CT abdomen — Axial slice 20/218
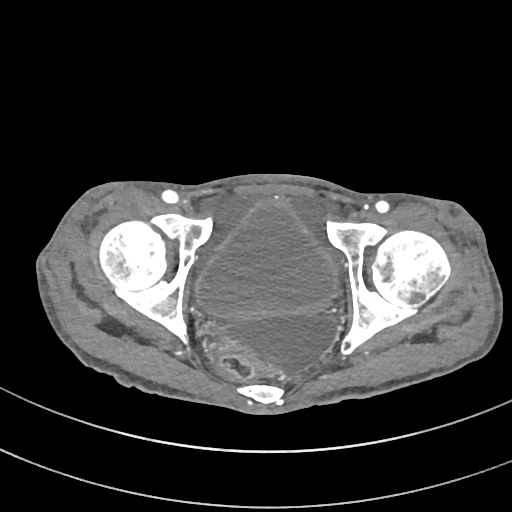
Boxes: x1 y1 x2 y2 (pixel coords, space-separated).
Organ bounding boxes:
- bladder: 196 201 338 318